Abdominal CT. axial plane, index 70. abdomen soft-tissue window. 15 organs annotated in this scan (that count is for the whole scan; organs this slice misses have no box)
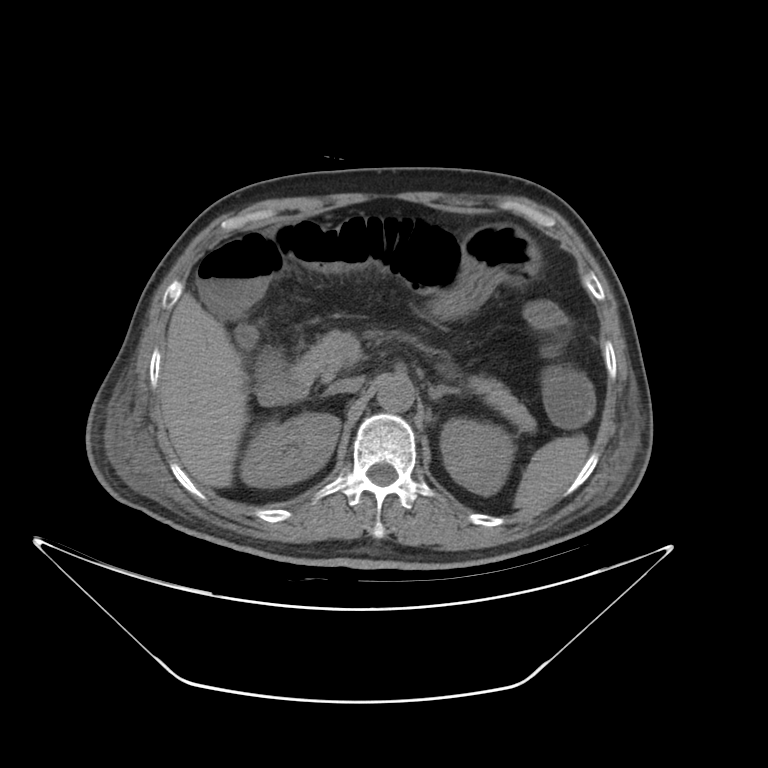

<organs><organ name="spleen" x1="513" y1="437" x2="588" y2="512"/><organ name="right kidney" x1="242" y1="411" x2="338" y2="486"/><organ name="left kidney" x1="442" y1="418" x2="514" y2="493"/><organ name="liver" x1="161" y1="292" x2="249" y2="487"/><organ name="stomach" x1="428" y1="220" x2="538" y2="319"/><organ name="aorta" x1="376" y1="377" x2="414" y2="414"/><organ name="inferior vena cava" x1="327" y1="378" x2="364" y2="396"/><organ name="pancreas" x1="289" y1="331" x2="535" y2="431"/><organ name="left adrenal gland" x1="428" y1="384" x2="462" y2="399"/><organ name="duodenum" x1="253" y1="352" x2="314" y2="402"/></organs>